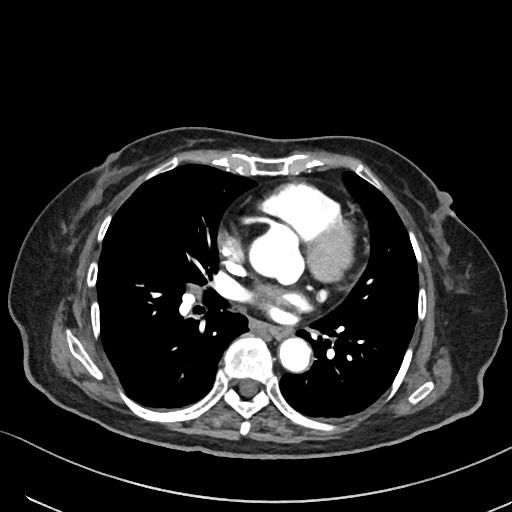 Abdominal CT; this slice is in the lower chest, just above the liver. axial view. 512x512 px
No part of the heart or lungs is labeled in this dataset, so neither has a box here.
<organs><organ name="esophagus" x1="246" y1="318" x2="290" y2="338"/><organ name="aorta" x1="279" y1="338" x2="311" y2="372"/></organs>